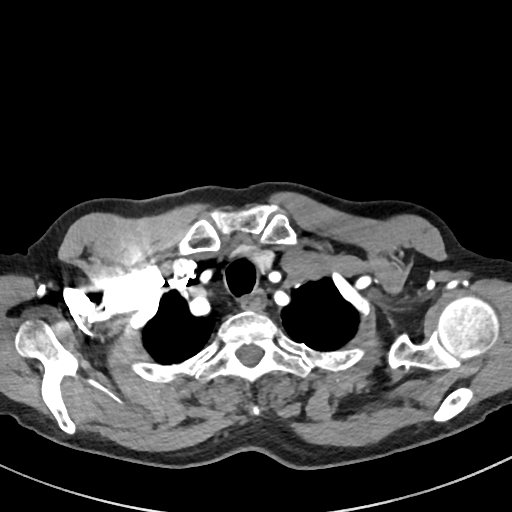
Chest-level slice from an abdominal CT that extends up into the chest. axial view. soft-tissue window, W/L 400/40. acquired on SOMATOM Force
At this level of the chest this dataset labels only the esophagus and the aorta, and each is boxed only where it is labeled; the heart and lungs are never labeled. Boxes: x1 y1 x2 y2 (pixel coords, space-separated). The annotated organs in this slice are: esophagus at 240 293 267 309.